Abdominal CT · axial plane, index 33 · W/L 400/40 HU · 512x512 px · scan has 15 labeled organs (that count is for the whole scan; organs this slice misses have no box)
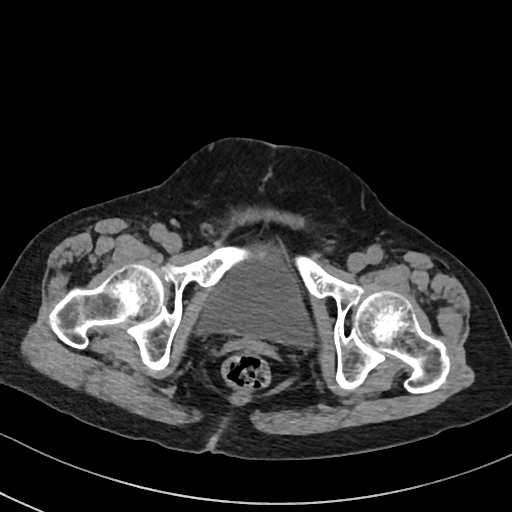
{"organs":{"bladder":[200,255,311,345]}}